CT abdomen; axial plane, index 155; W/L 400/40 HU
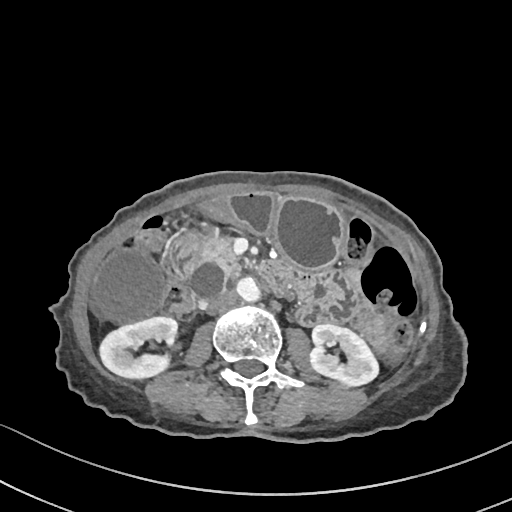

Boxes: x1:y1:x2:y2 in pixels. The annotated organs in this slice are: duodenum at 170:233:291:297, aorta at 236:276:258:300, left kidney at 309:323:377:387, pancreas at 198:239:240:275, inferior vena cava at 207:289:236:311, stomach at 202:191:344:268, gall bladder at 94:250:166:320, right kidney at 100:317:176:377.